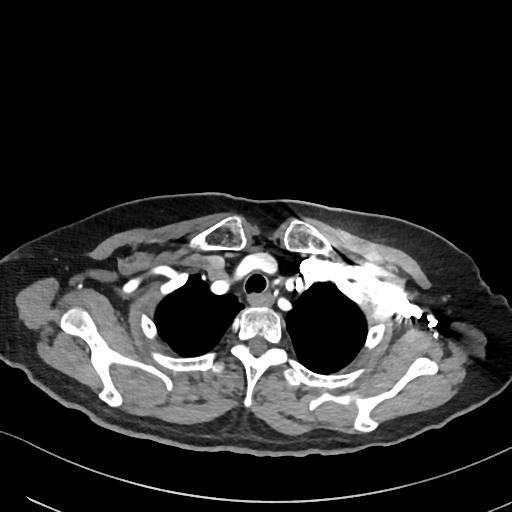
CT of the abdomen extending into the chest, slice through the chest — axial plane, index 281 — 15 organs annotated in this scan (that count is for the whole scan; organs this slice misses have no box)
At this level of the chest no structure but the esophagus and the aorta has a label in this dataset, and those two are boxed only where they are labeled. Bounding boxes as [x1, y1, x2, y2] in pixel coordinates. Labeled organs on this slice: esophagus at [250, 294, 271, 305].